Chest-level slice from an abdominal CT that extends up into the chest · Axial slice 228/306
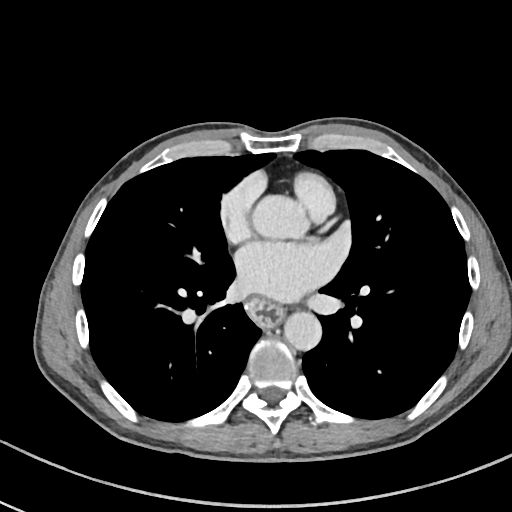
On a slice this high in the chest, this dataset labels only the esophagus and the aorta, and each is boxed only where it is labeled; the heart, lungs and other chest structures are not labeled.
Bounding boxes as [x1, y1, x2, y2] in pixel coordinates.
Organ bounding boxes:
- esophagus: [247, 300, 281, 327]
- aorta: [254, 197, 305, 240]
- aorta: [283, 312, 321, 350]